CT, abdomen/pelvis · axial plane, index 87 · 512x512 px · 58-year-old male patient
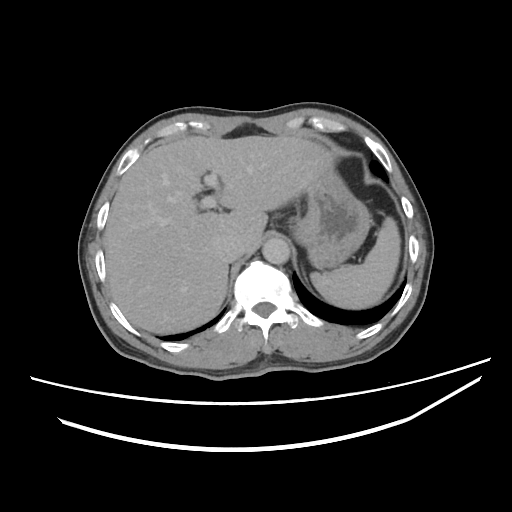

<organs><organ name="spleen" x1="310" y1="216" x2="399" y2="307"/><organ name="liver" x1="104" y1="135" x2="332" y2="332"/><organ name="stomach" x1="290" y1="170" x2="369" y2="270"/><organ name="aorta" x1="262" y1="238" x2="289" y2="264"/><organ name="inferior vena cava" x1="212" y1="234" x2="245" y2="262"/><organ name="left adrenal gland" x1="301" y1="263" x2="311" y2="288"/></organs>